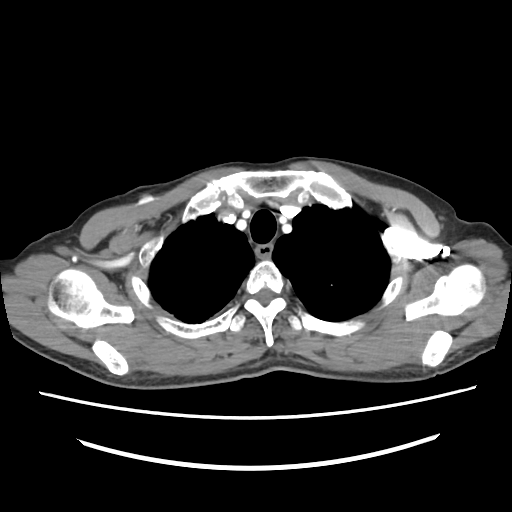 CT of the abdomen extending into the chest, slice through the chest · Axial slice 124/134
On a slice this high in the chest, this dataset labels only the esophagus and the aorta, and each is boxed only where it is labeled; the heart, lungs and other chest structures are not labeled.
Box edges are left/top/right/bottom in pixels.
esophagus: left=255, top=243, right=272, bottom=257